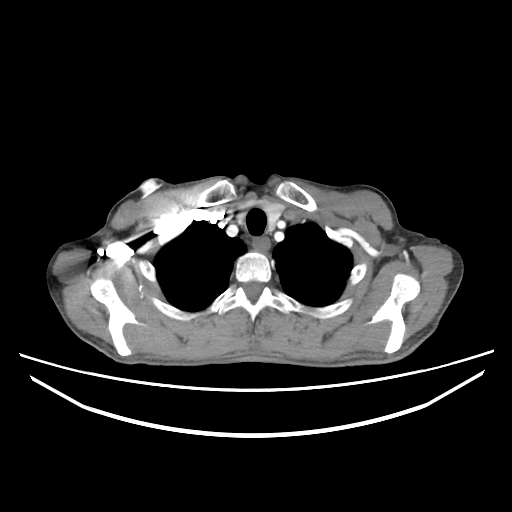

Abdominal CT reaching into the chest; this slice is in the chest; axial view; 50-year-old male patient
On a slice this high in the chest, this dataset labels only the esophagus and the aorta, and each is boxed only where it is labeled; the heart, lungs and other chest structures are not labeled.
Bounding boxes in pixels, one row per box: x1, y1 is the top-left corner and x2, y2 the bottom-right.
| organ | x1 | y1 | x2 | y2 |
|---|---|---|---|---|
| esophagus | 253 | 238 | 270 | 252 |